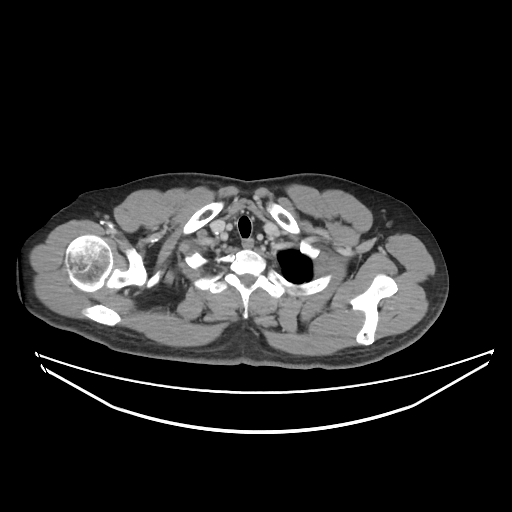
Chest-level slice from an abdominal CT that extends up into the chest; axial plane, index 126; soft-tissue window; 40-year-old male patient; 15 organs annotated in this scan (counted over the whole 3D scan, not this slice; an organ is boxed only where this slice passes through it)
At this level of the chest this dataset labels only the esophagus and the aorta, and each is boxed only where it is labeled; the heart and lungs are never labeled.
Bounding boxes in pixels, one row per box: x1, y1 is the top-left corner and x2, y2 the bottom-right.
| organ | x1 | y1 | x2 | y2 |
|---|---|---|---|---|
| esophagus | 242 | 238 | 254 | 247 |